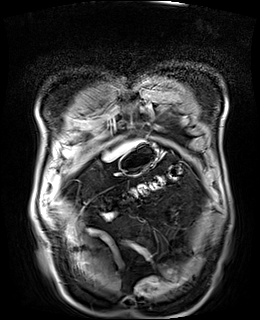 Abdominal MR. coronal view. 260x320 px
<organs><organ name="liver" x1="104" y1="141" x2="139" y2="161"/><organ name="stomach" x1="119" y1="141" x2="158" y2="176"/></organs>